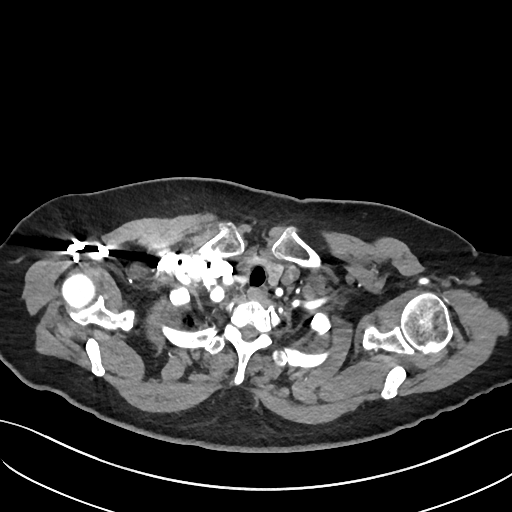 Abdominal CT reaching into the chest; this slice is in the chest — axial plane, index 267 — soft-tissue window (W 400 / L 40)
At this level of the chest no structure but the esophagus and the aorta has a label in this dataset, and those two are boxed only where they are labeled.
Boxes: x1 y1 x2 y2 (pixel coords, space-separated).
Organ bounding boxes:
- esophagus: 246 287 268 303